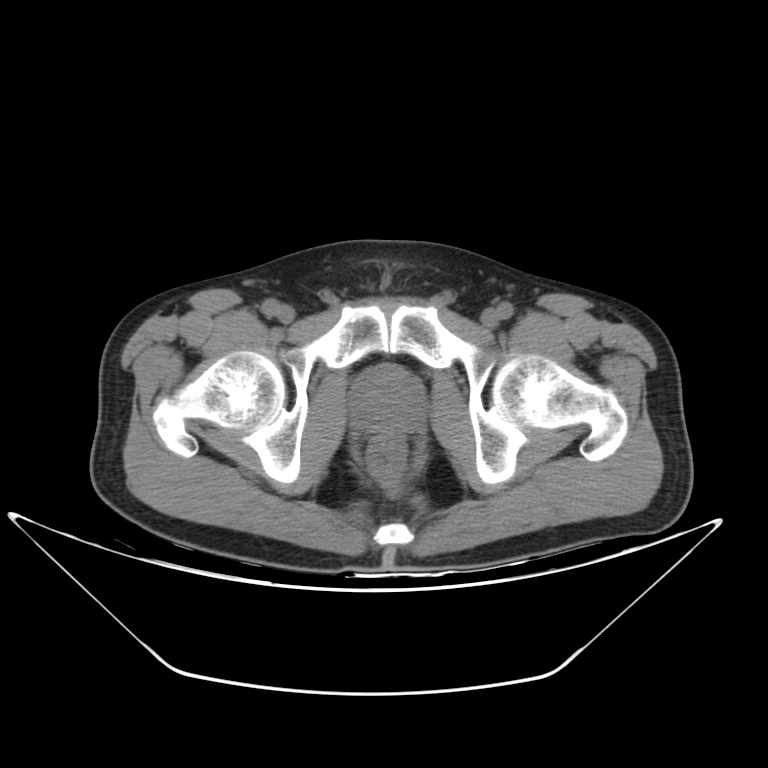
Abdominal CT; Axial slice 25/104; W/L 400/40 HU
Each box given as x1,y1,x2,y2.
Organ bounding boxes:
- prostate/uterus: x1=349, y1=365, x2=425, y2=434